Chest-level slice from an abdominal CT that extends up into the chest. axial view. 54-year-old female patient
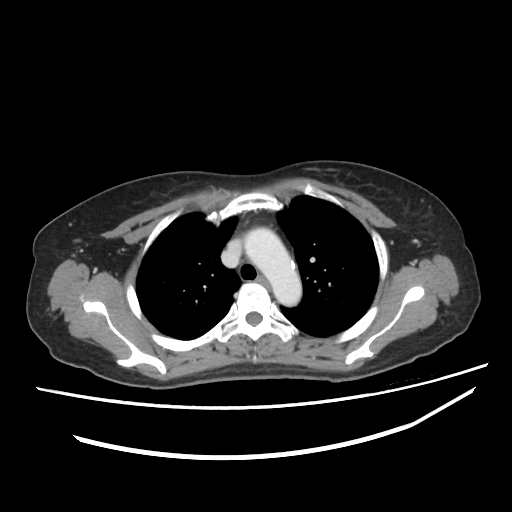

At this level of the chest no structure but the esophagus and the aorta has a label in this dataset, and those two are boxed only where they are labeled.
Boxes are (x1, y1, x2, y2) in pixels.
Organ bounding boxes:
- aorta: (244, 227, 301, 306)
- esophagus: (258, 276, 270, 289)